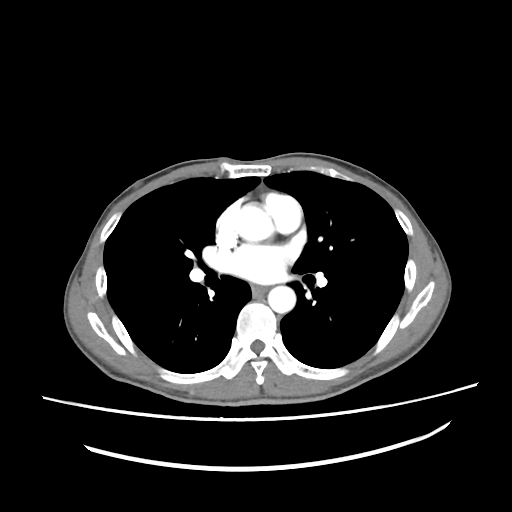

Chest-level slice from an abdominal CT that extends up into the chest. axial plane, index 102. 512x512 px. 50-year-old male patient. 14 organs annotated in this scan (that count is for the whole scan; organs this slice misses have no box)
At this level of the chest this dataset labels only the esophagus and the aorta, and each is boxed only where it is labeled; the heart and lungs are never labeled.
Boxes are (x1, y1, x2, y2) in pixels.
aorta: (233, 205, 273, 241)
aorta: (268, 286, 295, 313)
esophagus: (251, 285, 266, 294)